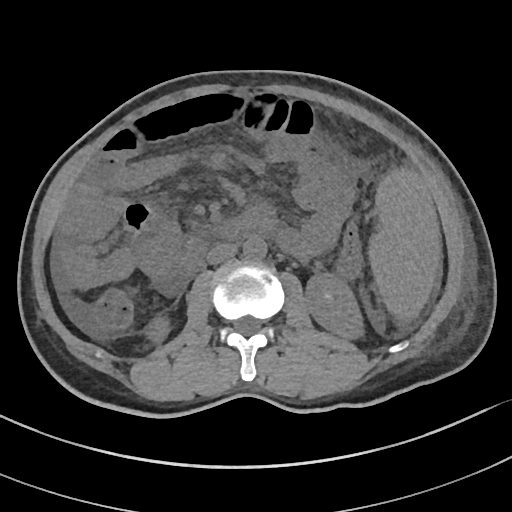

CT, abdomen/pelvis · axial view
Boxes: x1 y1 x2 y2 (pixel coords, space-separated).
spleen: 368 170 441 325
right kidney: 147 317 172 343
left kidney: 304 273 364 340
aorta: 243 237 267 261
inferior vena cava: 206 243 236 264
duodenum: 180 211 271 273